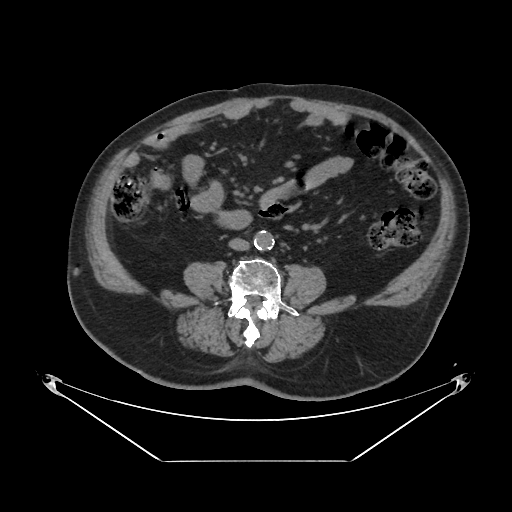

Computed tomography, abdomen — axial plane, index 163 — W/L 400/40 HU
Boxes: x1:y1:x2:y2 in pixels.
aorta: 253:230:273:249
inferior vena cava: 229:238:249:250